Abdominal CT — axial view — abdomen soft-tissue window — scan has 15 labeled organs (that count is for the whole scan; organs this slice misses have no box)
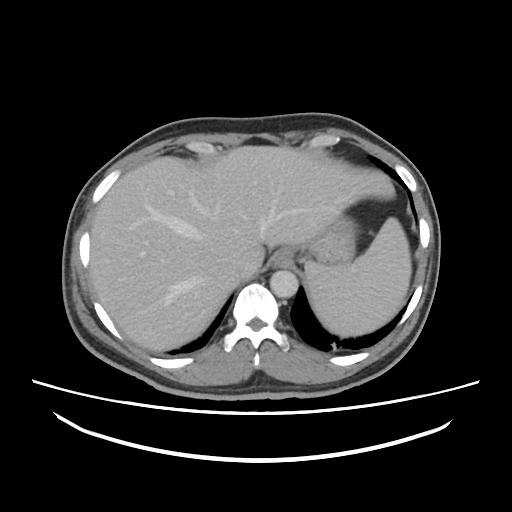 Bounding boxes as [x1, y1, x2, y2] in pixel coordinates.
liver: [90, 145, 394, 350]
esophagus: [271, 249, 292, 267]
spleen: [305, 217, 411, 336]
stomach: [304, 217, 357, 265]
inferior vena cava: [234, 256, 258, 277]
aorta: [270, 270, 297, 297]